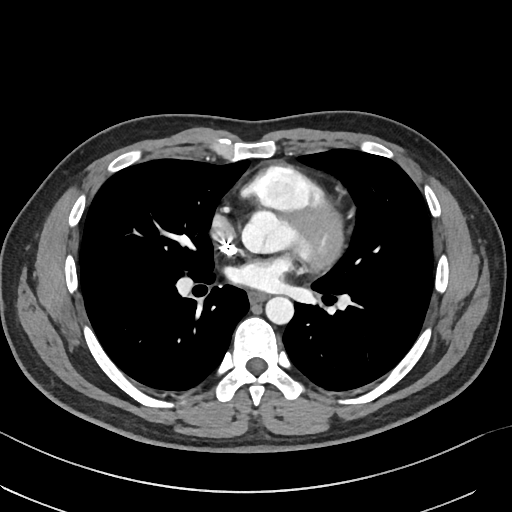
Abdominal CT; this slice is in the lower chest, just above the liver. axial view. W/L 400/40 HU. 512x512 px
Of the structures in the chest, this dataset labels only the esophagus, the aorta and the inferior vena cava; the heart and lungs have no label.
<organs><organ name="esophagus" x1="248" y1="291" x2="266" y2="302"/><organ name="aorta" x1="265" y1="296" x2="293" y2="323"/></organs>